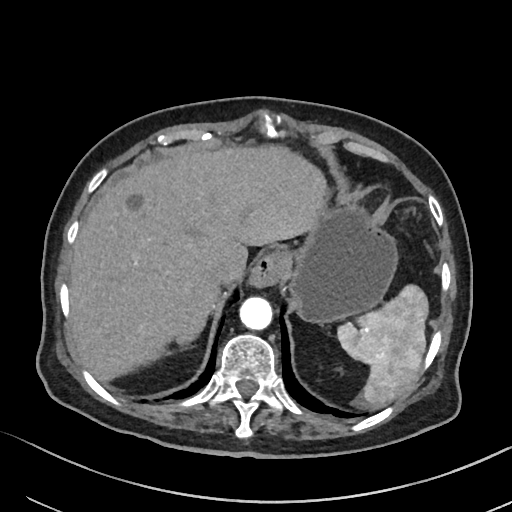
CT, abdomen/pelvis. Axial slice 194/297. soft-tissue window. 512x512 px. scan has 15 labeled organs (counted over the whole 3D scan, not this slice; an organ is boxed only where this slice passes through it)
Each box given as x1,y1,x2,y2.
Organ bounding boxes:
- spleen: x1=337, y1=285, x2=428, y2=407
- esophagus: x1=249, y1=252, x2=281, y2=287
- liver: x1=69, y1=144, x2=326, y2=381
- stomach: x1=286, y1=206, x2=398, y2=324
- aorta: x1=239, y1=297, x2=272, y2=330
- inferior vena cava: x1=209, y1=261, x2=242, y2=285
- right adrenal gland: x1=176, y1=333, x2=197, y2=344